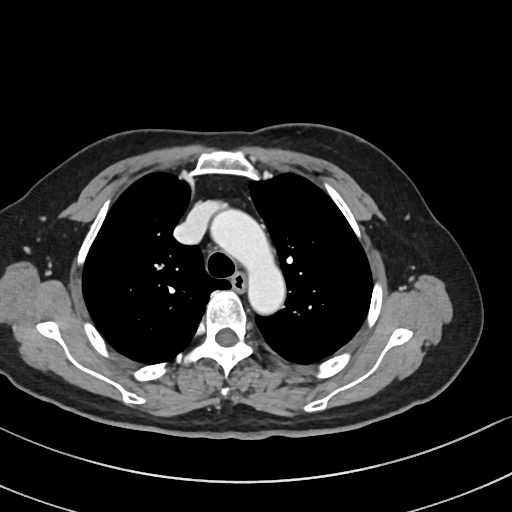

Chest-level CT slice, above the liver and spleen — axial view — W/L 400/40 HU — scan has 14 labeled organs (counted over the whole 3D scan, not this slice; an organ is boxed only where this slice passes through it)
At this level of the chest no structure but the esophagus and the aorta has a label in this dataset, and those two are boxed only where they are labeled.
Boxes: x1:y1:x2:y2 in pixels.
Organ bounding boxes:
- esophagus: 232:274:245:290
- aorta: 211:209:285:314